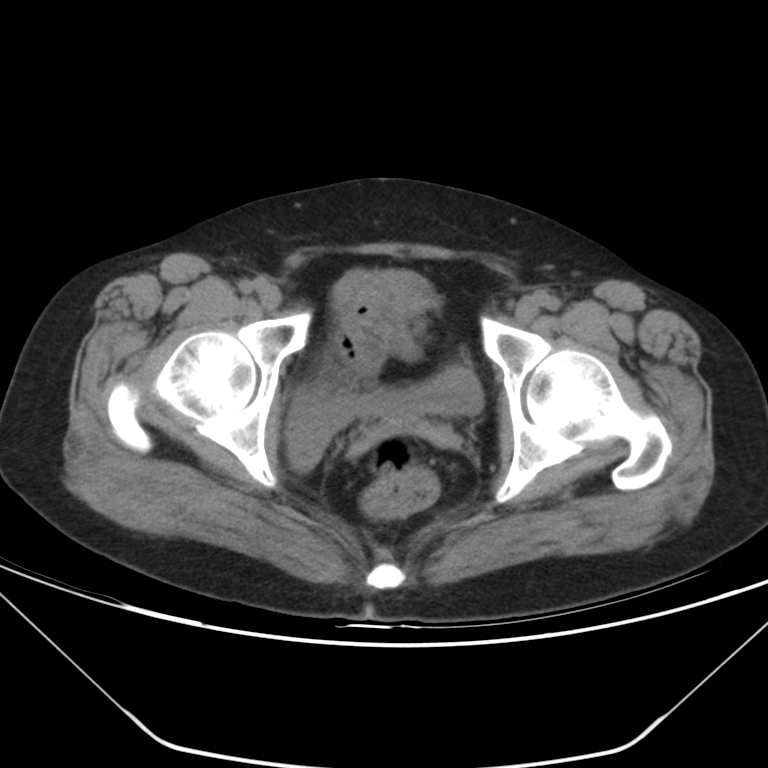

Computed tomography, abdomen · axial view · abdomen soft-tissue window · scan has 15 labeled organs (that count is for the whole scan; organs this slice misses have no box)
Each box given as x1,y1,x2,y2.
Organ bounding boxes:
- bladder: x1=286, y1=365, x2=482, y2=472